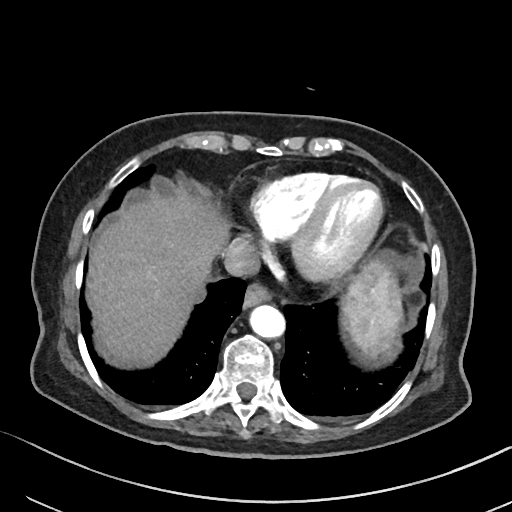 Abdominal CT · axial view · 512x512 px · SOMATOM Force scanner
Bounding boxes in pixels, one row per box: x1, y1 is the top-left corner and x2, y2 the bottom-right.
| organ | x1 | y1 | x2 | y2 |
|---|---|---|---|---|
| spleen | 341 | 259 | 402 | 362 |
| esophagus | 243 | 283 | 271 | 307 |
| liver | 87 | 198 | 229 | 364 |
| aorta | 249 | 305 | 285 | 338 |
| inferior vena cava | 223 | 237 | 259 | 277 |